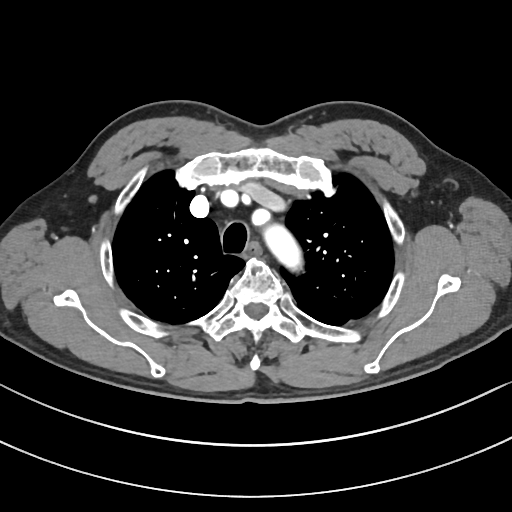 CT of the abdomen extending into the chest, slice through the chest · axial plane, index 250
On a slice this high in the chest, this dataset labels only the esophagus and the aorta, and each is boxed only where it is labeled; the heart, lungs and other chest structures are not labeled.
Box edges are left/top/right/bottom in pixels.
Organ bounding boxes:
- esophagus: left=250, top=245, right=257, bottom=252
- aorta: left=270, top=232, right=294, bottom=259